CT, abdomen/pelvis · axial view
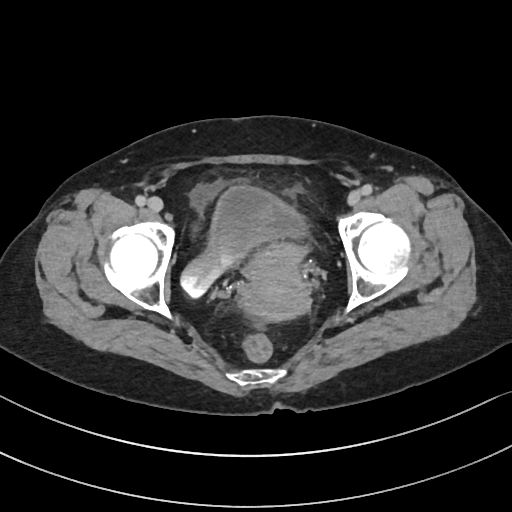
{"organs":{"bladder":[180,185,309,298],"prostate/uterus":[239,243,310,321]}}